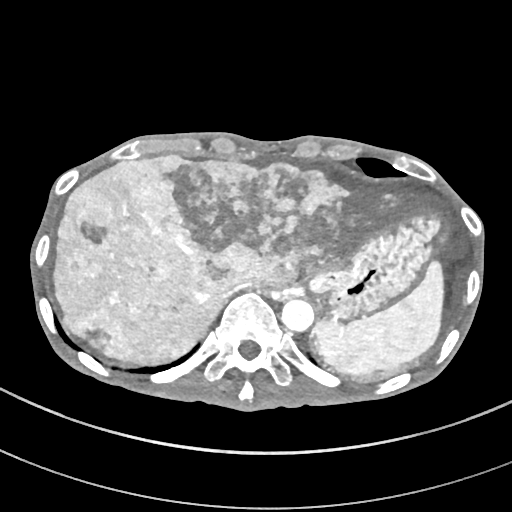

CT, abdomen/pelvis — Axial slice 187/218 — 512x512 px
Coordinates as <box>x1,y1,x2,y2</box> in pixels.
spleen: <box>313,261,444,373</box>
liver: <box>53,155,447,384</box>
stomach: <box>308,213,445,318</box>
aorta: <box>281,299,314,331</box>
inferior vena cava: <box>221,283,255,297</box>